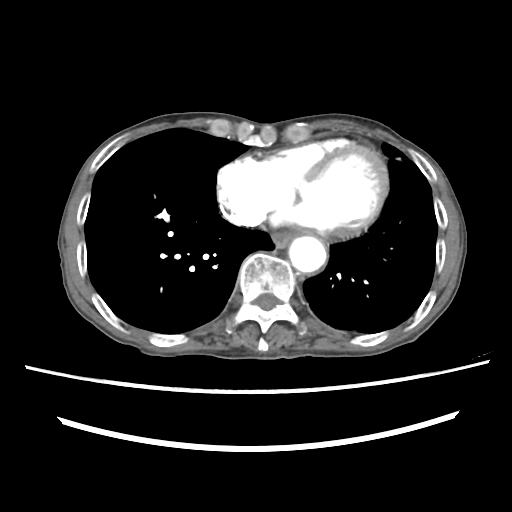 Abdominal CT; this slice is in the lower chest, just above the liver; axial view; soft-tissue window (W 400 / L 40); 81-year-old male patient; scan has 15 labeled organs (that count is for the whole scan; organs this slice misses have no box)
No part of the heart or lungs is labeled in this dataset, so neither has a box here.
Boxes are (x1, y1, x2, y2) in pixels.
Organ bounding boxes:
- esophagus: (271, 232, 293, 247)
- aorta: (288, 236, 326, 272)